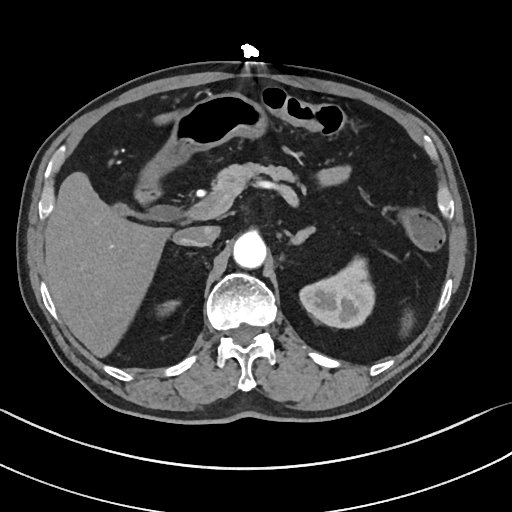 Abdominal CT. axial view. W/L 400/40 HU. SOMATOM Force scanner
<organs><organ name="duodenum" x1="135" y1="182" x2="161" y2="204"/><organ name="aorta" x1="233" y1="232" x2="266" y2="268"/><organ name="gall bladder" x1="113" y1="203" x2="167" y2="219"/><organ name="left kidney" x1="299" y1="256" x2="374" y2="328"/><organ name="inferior vena cava" x1="173" y1="226" x2="219" y2="246"/><organ name="right kidney" x1="158" y1="300" x2="178" y2="311"/><organ name="stomach" x1="140" y1="93" x2="266" y2="183"/><organ name="spleen" x1="402" y1="312" x2="413" y2="333"/><organ name="liver" x1="45" y1="112" x2="177" y2="357"/><organ name="pancreas" x1="209" y1="162" x2="306" y2="205"/><organ name="left adrenal gland" x1="290" y1="225" x2="314" y2="244"/></organs>